Computed tomography, abdomen. Axial slice 15/116. scan has 15 labeled organs (that count is for the whole scan; organs this slice misses have no box)
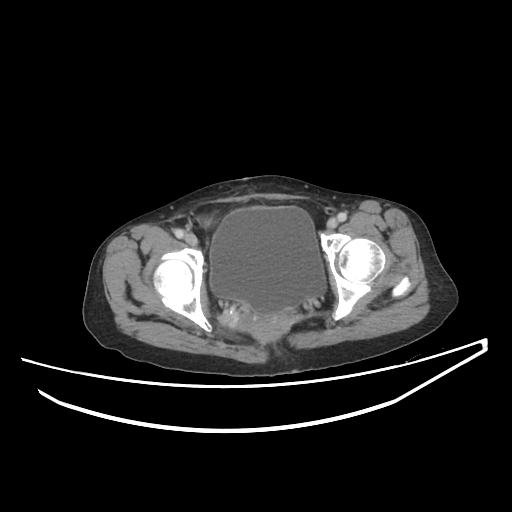
Each box given as x1,y1,x2,y2.
bladder: x1=210, y1=206, x2=325, y2=315
prostate/uterus: x1=240, y1=314, x2=291, y2=340